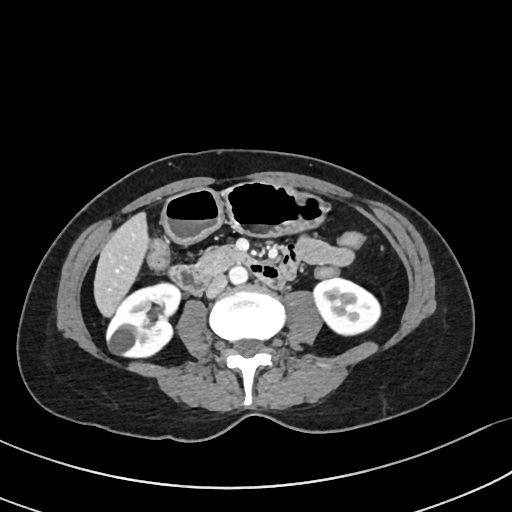 CT abdomen. axial view. soft-tissue window (W 400 / L 40). scan has 15 labeled organs (that count is for the whole scan; organs this slice misses have no box)
Each box given as x1,y1,x2,y2.
Organ bounding boxes:
- inferior vena cava: x1=206, y1=274, x2=227, y2=296
- aorta: x1=229, y1=265, x2=248, y2=283
- liver: x1=94, y1=212, x2=147, y2=315
- duodenum: x1=171, y1=245, x2=284, y2=294
- left kidney: x1=313, y1=279, x2=379, y2=335
- right kidney: x1=107, y1=283, x2=180, y2=358
- pancreas: x1=200, y1=253, x2=213, y2=265
- stomach: x1=162, y1=181, x2=325, y2=243